CT, abdomen/pelvis · axial plane, index 137 · abdomen soft-tissue window · 512x512 px · acquired on SOMATOM Force
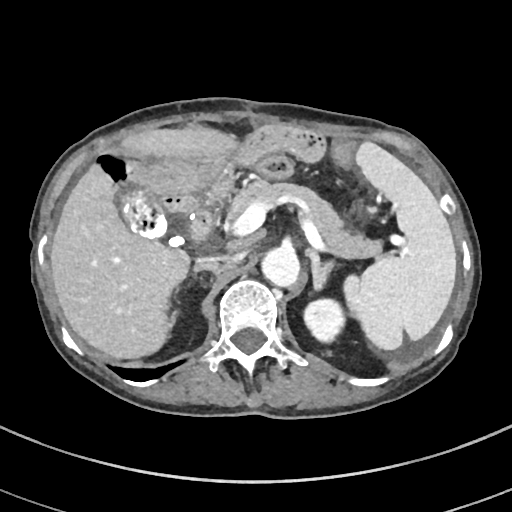

Bounding boxes as [x1, y1, x2, y2] in pixel coordinates. 11 labeled organs on this slice — aorta at [260, 246, 299, 286]; duodenum at [186, 209, 214, 245]; left adrenal gland at [305, 248, 334, 288]; right kidney at [172, 310, 177, 326]; pancreas at [225, 181, 384, 258]; liver at [50, 127, 234, 358]; spleen at [344, 140, 456, 349]; left kidney at [302, 299, 344, 344]; gall bladder at [118, 186, 166, 239]; right adrenal gland at [193, 264, 216, 271]; inferior vena cava at [197, 256, 227, 264].